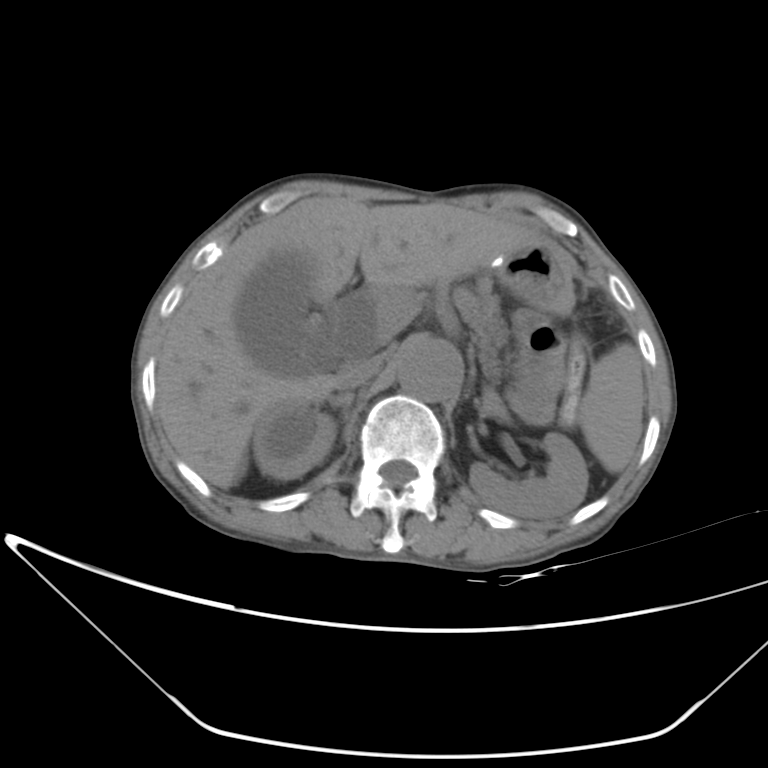
CT abdomen · Axial slice 62/82 · soft-tissue window (W 400 / L 40)
Coordinates as <box>x1,y1,x2,y2</box> in pixels.
gall bladder: <box>235,257,330,372</box>
stomach: <box>492,239,575,314</box>
liver: <box>156,196,538,488</box>
right adrenal gland: <box>330,393,353,410</box>
inferior vena cava: <box>338,354,384,389</box>
aorta: <box>398,339,462,402</box>
right kidney: <box>253,403,337,478</box>
left kidney: <box>469,432,588,519</box>
spleen: <box>580,343,645,473</box>
pancreas: <box>461,277,507,377</box>